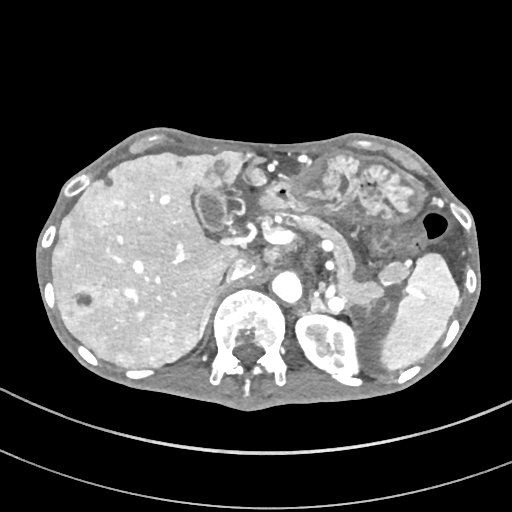 Computed tomography, abdomen. axial view. 15 organs annotated in this scan (that count is for the whole scan; organs this slice misses have no box)
{"organs":{"spleen":[381,252,459,370],"left kidney":[295,314,361,377],"gall bladder":[195,187,228,231],"liver":[52,150,279,368],"stomach":[257,154,428,223],"aorta":[271,269,301,304],"inferior vena cava":[228,257,256,280],"pancreas":[290,214,384,306],"right adrenal gland":[198,286,224,340],"left adrenal gland":[298,297,327,316]}}